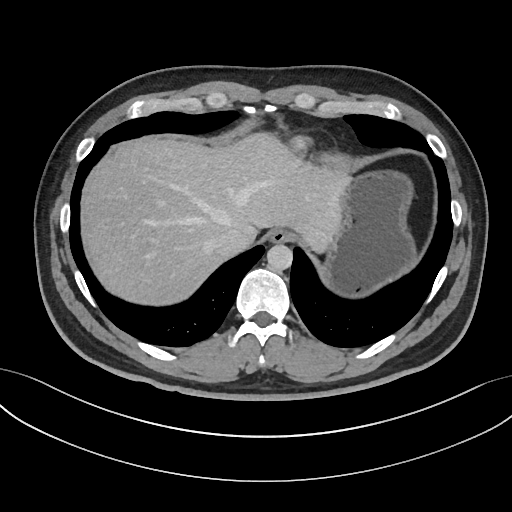

Abdominal CT · Axial slice 226/345 · W/L 400/40 HU · 512x512 px
Coordinates as <box>x1,y1,x2,y2</box> in pixels.
Organ bounding boxes:
- esophagus: <box>268,228,291,243</box>
- liver: <box>80,133,350,305</box>
- stomach: <box>323,172,416,295</box>
- aorta: <box>267,244,293,270</box>
- inferior vena cava: <box>210,227,252,256</box>